CT abdomen · axial view · soft-tissue window · 62-year-old male patient
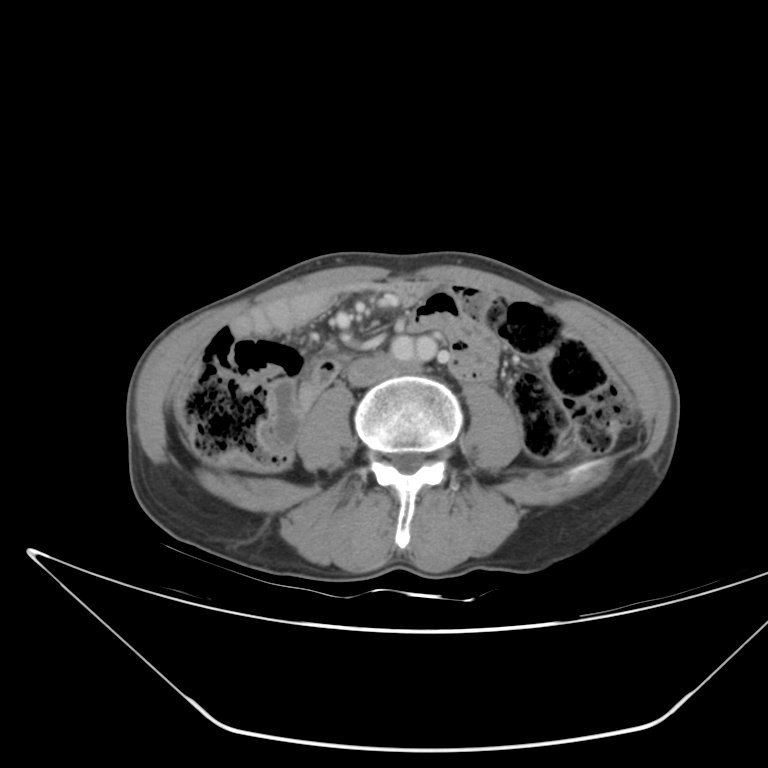

Boxes are (x1, y1, x2, y2) in pixels. The annotated organs in this slice are: inferior vena cava at (348, 359, 409, 386).